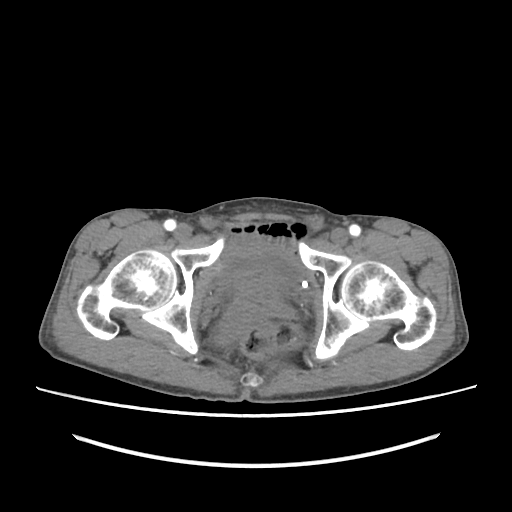

Computed tomography, abdomen · axial view · W/L 400/40 HU · 512x512 px · 62-year-old male patient
Box edges are left/top/right/bottom in pixels.
bladder: left=218, top=243, right=302, bottom=288
prostate/uterus: left=234, top=279, right=280, bottom=321